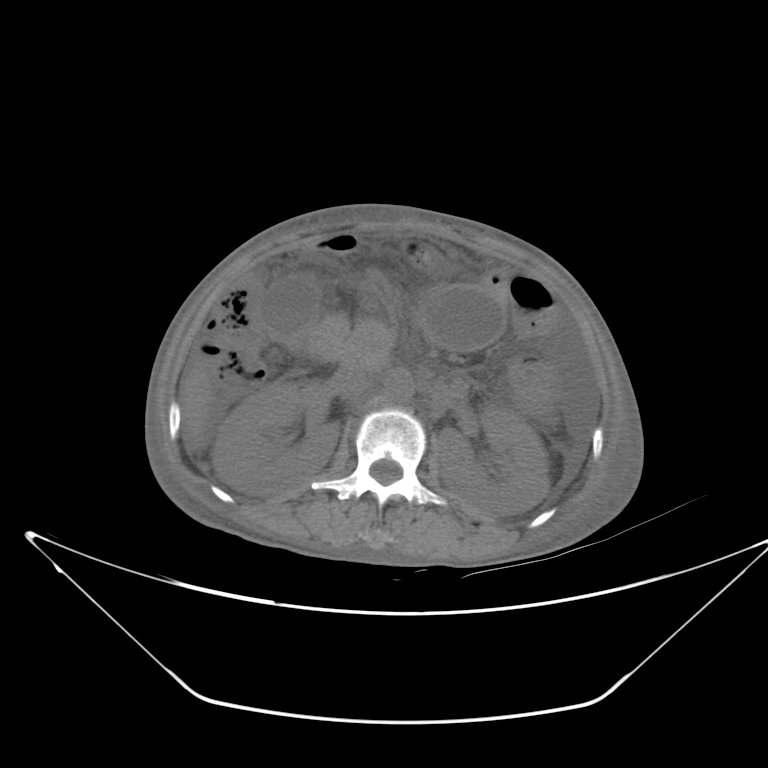 Abdominal CT; Axial slice 67/105; 768x768 px
Boxes are (x1, y1, x2, y2) in pixels.
right kidney: (211, 382, 339, 494)
inferior vena cava: (342, 365, 374, 404)
liver: (180, 369, 212, 446)
duodenum: (302, 317, 348, 361)
left kidney: (436, 405, 550, 516)
gall bladder: (263, 275, 321, 333)
pancreas: (343, 319, 392, 364)
stomach: (420, 284, 505, 349)
aorta: (384, 369, 413, 402)